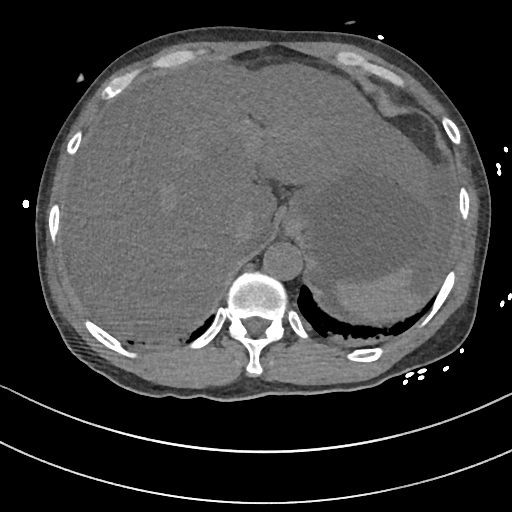
CT abdomen; Axial slice 203/252; soft-tissue window (W 400 / L 40); 15 organs annotated in this scan (a whole-scan count: organs this slice does not pass through have no box)
Organ boxes in pixel coordinates; each row gives the top-left (x1, y1) and bottom-right (x2, y2) corners.
| organ | x1 | y1 | x2 | y2 |
|---|---|---|---|---|
| spleen | 336 | 270 | 418 | 320 |
| liver | 64 | 62 | 433 | 341 |
| stomach | 279 | 163 | 445 | 287 |
| aorta | 264 | 242 | 302 | 280 |
| inferior vena cava | 231 | 220 | 252 | 252 |